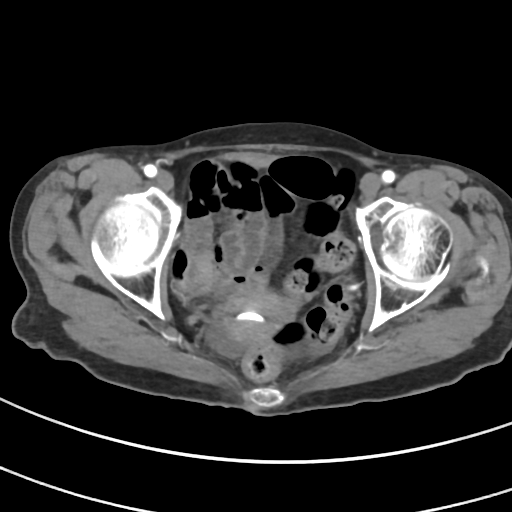 CT, abdomen/pelvis; axial view; W/L 400/40 HU
Each box given as x1,y1,x2,y2.
prostate/uterus: x1=212, y1=287, x2=295, y2=341